CT abdomen — axial view — W/L 400/40 HU
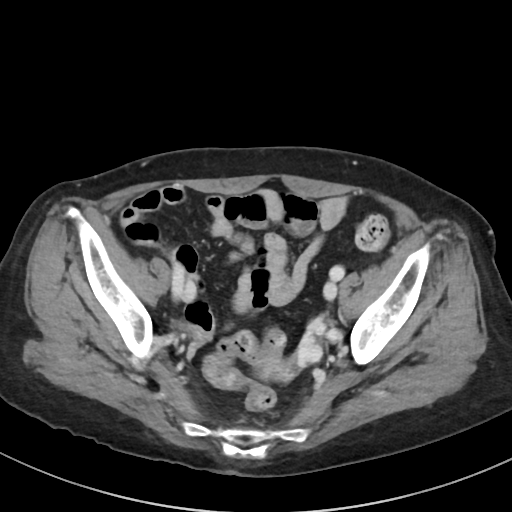
One row per box, in pixels: columns x1 and y1 give the top-left corner, x2 and y2 the bottom-right.
| organ | x1 | y1 | x2 | y2 |
|---|---|---|---|---|
| prostate/uterus | 262 | 361 | 289 | 378 |